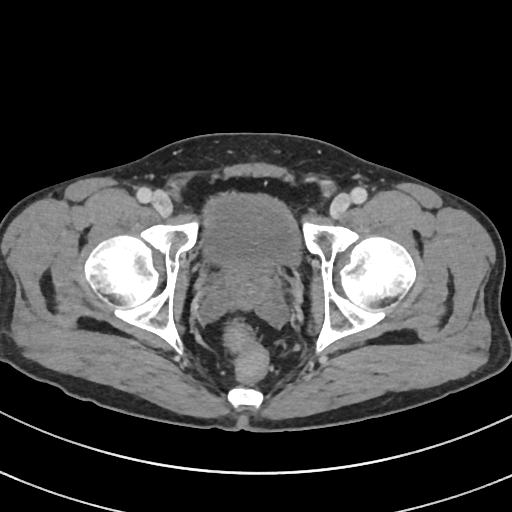 CT abdomen. Axial slice 23/298. soft-tissue window
Boxes are (x1, y1, x2, y2) in pixels.
Organ bounding boxes:
- bladder: (205, 194, 303, 265)
- prostate/uterus: (220, 258, 274, 291)